CT, abdomen/pelvis · axial view
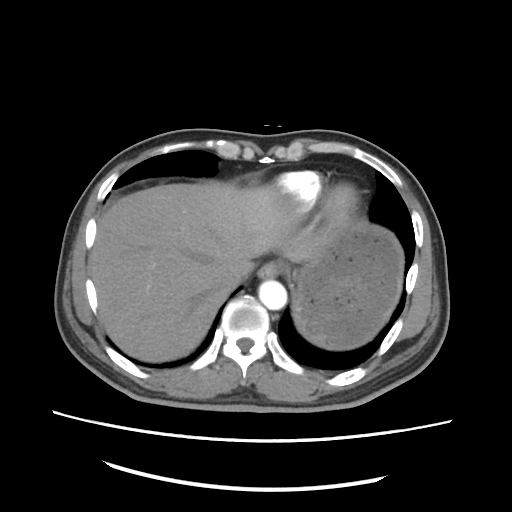 Boxes are (x1, y1, x2, y2) in pixels. 5 labeled organs on this slice — stomach at (294, 211, 403, 350); liver at (89, 181, 318, 360); esophagus at (258, 260, 293, 277); aorta at (258, 280, 287, 309); inferior vena cava at (221, 259, 254, 287).